CT abdomen · Axial slice 140/191 · 512x512 px · 15 organs annotated in this scan (that count is for the whole scan; organs this slice misses have no box)
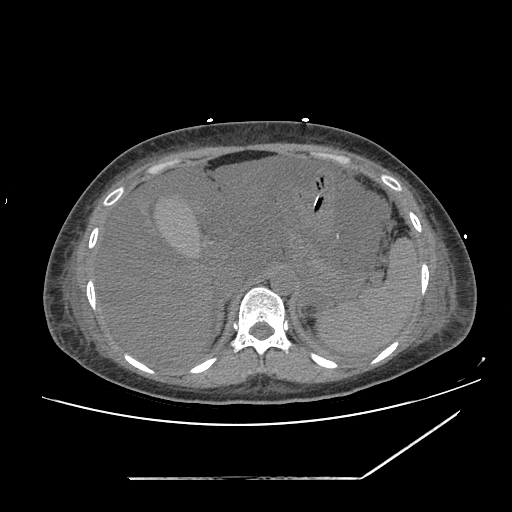

Boxes: x1 y1 x2 y2 (pixel coords, space-separated).
spleen: 312 237 418 356
gall bladder: 154 197 202 257
liver: 94 155 283 369
stomach: 289 170 338 236
aorta: 271 271 295 295
inferior vena cava: 217 270 251 301
right adrenal gland: 214 303 223 337
left adrenal gland: 297 289 310 317